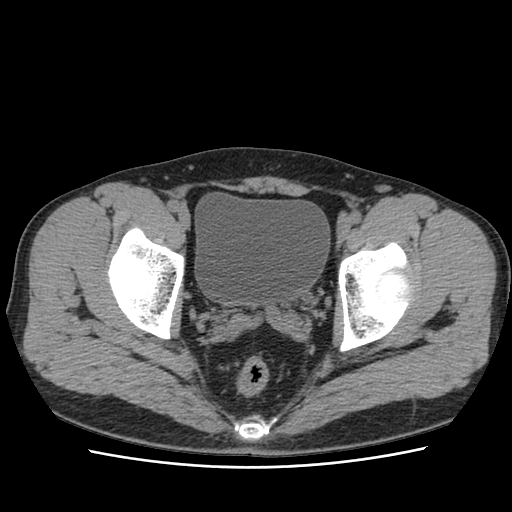
Abdominal CT; axial view; 512x512 px; 15 organs annotated in this scan (that count is for the whole scan; organs this slice misses have no box)
<organs><organ name="bladder" x1="196" y1="194" x2="330" y2="304"/></organs>